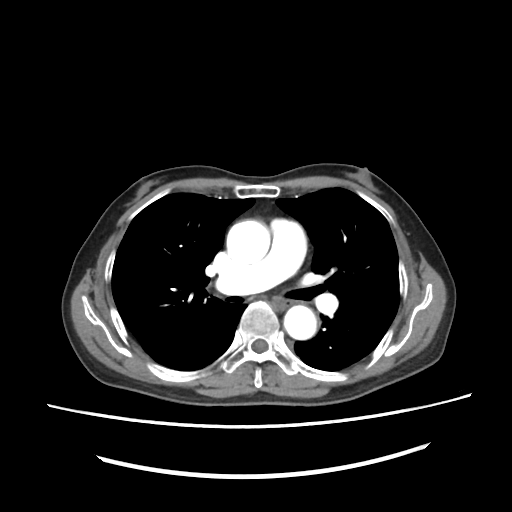
Chest-level slice from an abdominal CT that extends up into the chest · Axial slice 106/132 · 67-year-old male patient
At this level of the chest this dataset labels only the esophagus and the aorta, and each is boxed only where it is labeled; the heart and lungs are never labeled.
Boxes: x1:y1:x2:y2 in pixels.
esophagus: 275:298:294:308
aorta: 228:221:271:261
aorta: 283:307:315:341